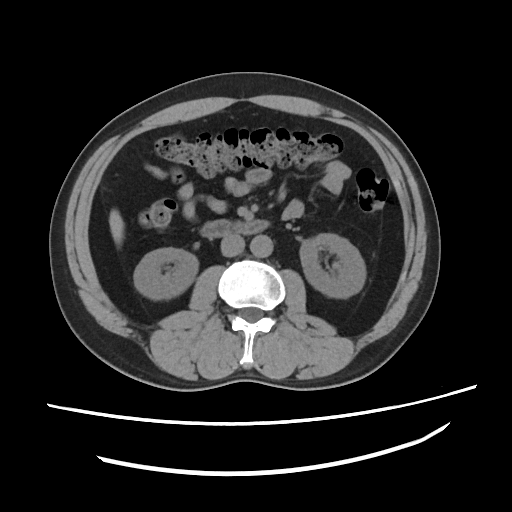

Computed tomography, abdomen · axial plane, index 57 · W/L 400/40 HU · 15 organs annotated in this scan (counted over the whole 3D scan, not this slice; an organ is boxed only where this slice passes through it)
Boxes are (x1, y1, x2, y2) in pixels.
inferior vena cava: (220, 233, 244, 256)
liver: (109, 209, 123, 245)
aorta: (251, 234, 271, 256)
right kidney: (135, 246, 196, 299)
duodenum: (200, 219, 269, 237)
left kidney: (299, 232, 366, 297)